Abdominal CT; this slice is in the lower chest, just above the liver; Axial slice 196/298; soft-tissue window
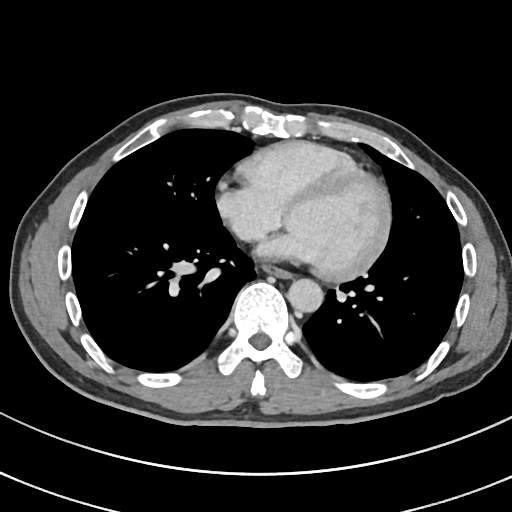 The heart and lungs are never labeled in this dataset, so they have no box on this slice.
<organs><organ name="aorta" x1="288" y1="279" x2="323" y2="313"/><organ name="esophagus" x1="263" y1="266" x2="291" y2="278"/></organs>